Abdominal CT — axial plane, index 211
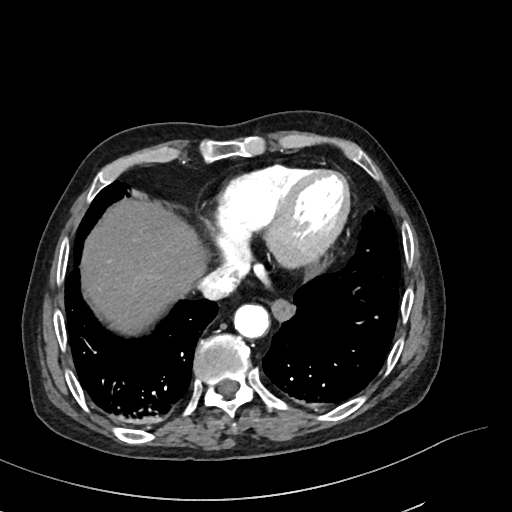 Bounding boxes as [x1, y1, x2, y2] in pixel coordinates. Labeled organs on this slice: inferior vena cava at [197, 267, 239, 300], esophagus at [271, 299, 293, 320], liver at [81, 198, 207, 335], aorta at [233, 304, 269, 338].